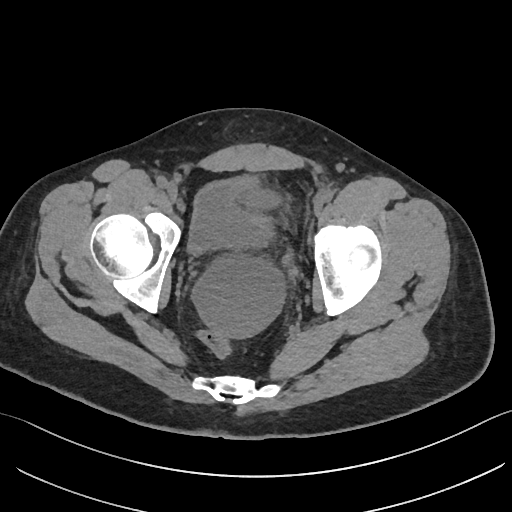
Abdominal CT; axial view; 15 organs annotated in this scan (that count is for the whole scan; organs this slice misses have no box)
{"organs":{"bladder":[188,176,272,253]}}